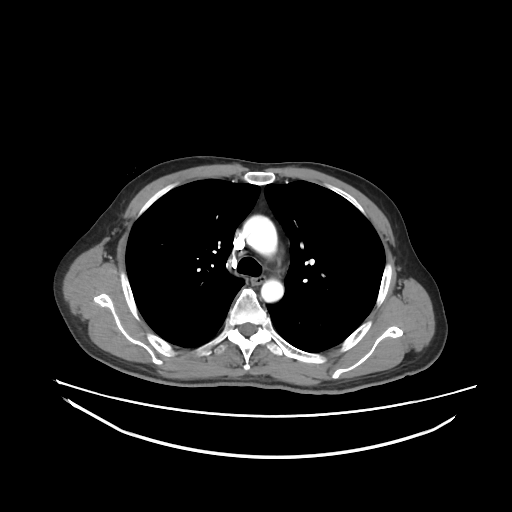
Chest-level slice from an abdominal CT that extends up into the chest — axial view — W/L 400/40 HU — 52-year-old male patient — acquired on Aquilion ONE
At this level of the chest no structure but the esophagus and the aorta has a label in this dataset, and those two are boxed only where they are labeled.
Bounding boxes as [x1, y1, x2, y2] in pixel coordinates.
esophagus: [251, 277, 264, 285]
aorta: [242, 215, 277, 256]
aorta: [261, 279, 283, 302]